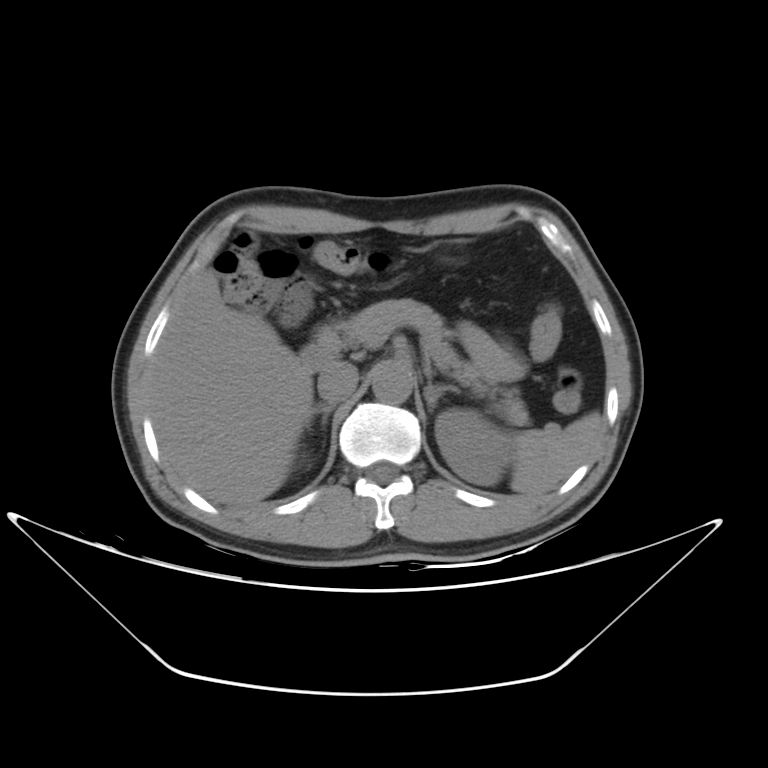
Abdominal CT. axial view. 768x768 px. 53-year-old male patient. scan has 15 labeled organs (that count is for the whole scan; organs this slice misses have no box)
{"organs":{"spleen":[511,411,600,495],"left kidney":[434,409,510,485],"liver":[148,267,315,508],"stomach":[426,239,482,266],"aorta":[370,363,412,403],"inferior vena cava":[316,362,356,403],"pancreas":[336,298,525,426],"right adrenal gland":[307,404,336,428],"left adrenal gland":[424,382,459,415],"duodenum":[301,326,344,370]}}